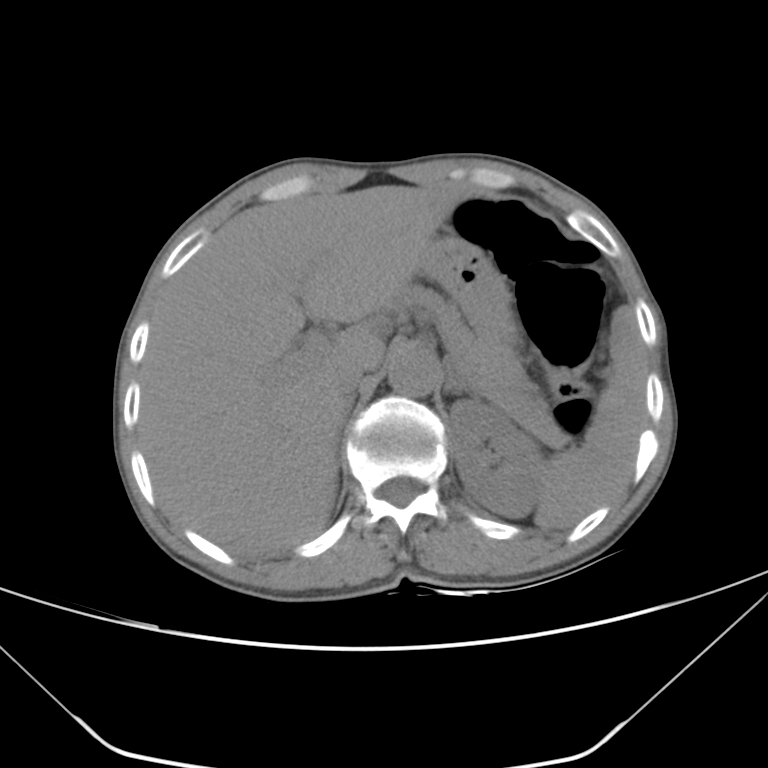 CT abdomen; axial view; 768x768 px
Boxes: x1 y1 x2 y2 (pixel coords, space-separated). Labeled organs on this slice: spleen at 535 305 646 529, left kidney at 449 399 546 517, liver at 139 186 465 557, stomach at 423 233 514 346, aorta at 387 347 438 396, inferior vena cava at 340 364 370 395, pancreas at 404 287 566 447, right adrenal gland at 339 392 354 430, left adrenal gland at 444 362 479 400.